CT abdomen — axial plane, index 58 — 512x512 px — Aquilion ONE scanner
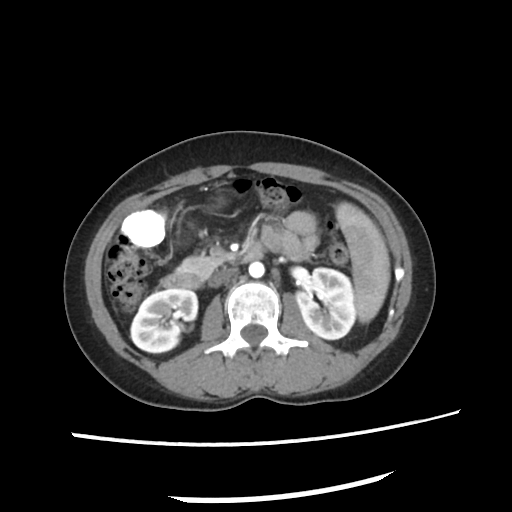 {"organs":{"spleen":[335,202,389,324],"right kidney":[132,288,197,351],"left kidney":[295,266,355,338],"liver":[121,209,165,248],"aorta":[249,263,263,277],"inferior vena cava":[215,268,238,281],"pancreas":[178,255,227,278],"duodenum":[159,242,263,287]}}